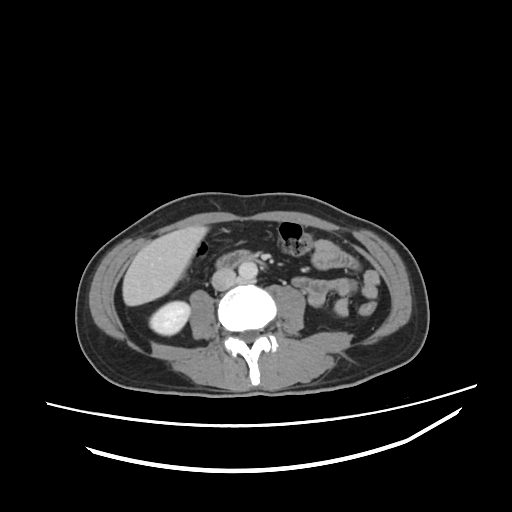 Abdominal CT — Axial slice 54/131 — soft-tissue window (W 400 / L 40) — 49-year-old male patient
<organs><organ name="aorta" x1="238" y1="261" x2="257" y2="279"/><organ name="inferior vena cava" x1="211" y1="268" x2="235" y2="290"/><organ name="right kidney" x1="150" y1="301" x2="189" y2="334"/><organ name="duodenum" x1="216" y1="250" x2="253" y2="268"/><organ name="liver" x1="122" y1="225" x2="207" y2="305"/></organs>